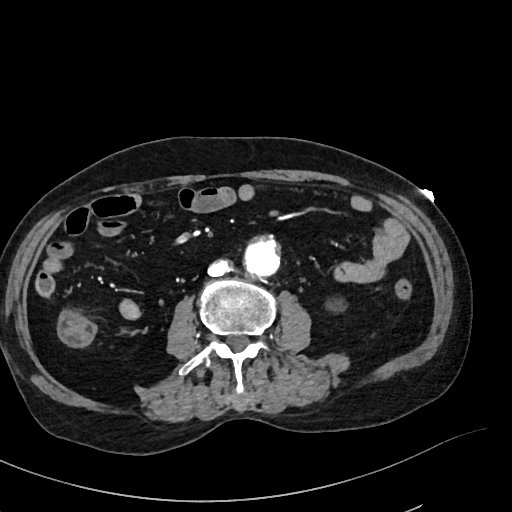
CT abdomen; axial view; soft-tissue window; 512x512 px
Boxes: x1:y1:x2:y2 in pixels.
Organ bounding boxes:
- aorta: 244:239:279:276
- inferior vena cava: 208:260:231:276